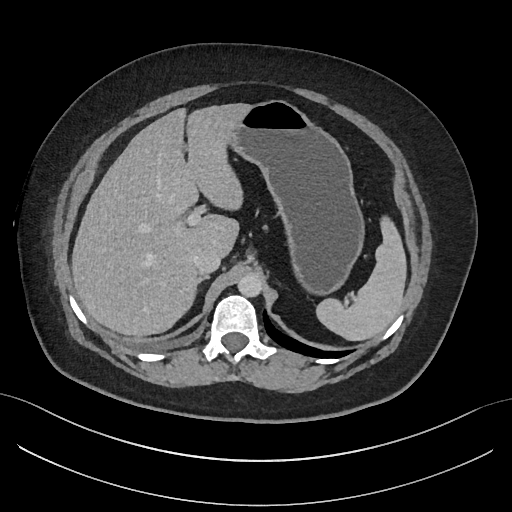 Computed tomography, abdomen — axial view — abdomen soft-tissue window
Bounding boxes as [x1, y1, x2, y2] in pixel coordinates.
Organ bounding boxes:
- inferior vena cava: [193, 248, 221, 274]
- spleen: [316, 216, 406, 340]
- liver: [71, 103, 250, 336]
- aorta: [237, 272, 262, 297]
- right adrenal gland: [197, 275, 209, 283]
- stomach: [229, 100, 364, 295]